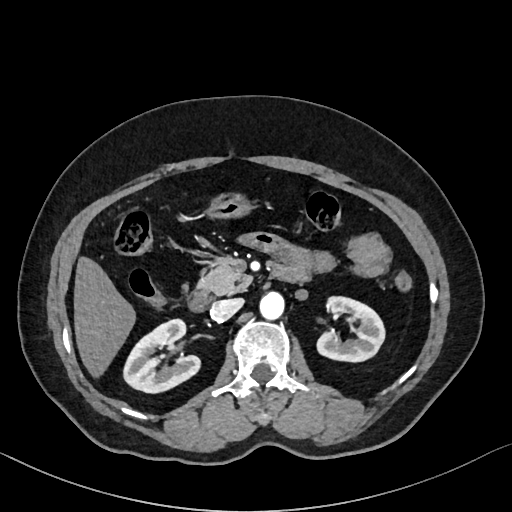
CT, abdomen/pelvis · Axial slice 140/222
Bounding boxes in pixels, one row per box: x1, y1 is the top-left corner and x2, y2 the bottom-right.
| organ | x1 | y1 | x2 | y2 |
|---|---|---|---|---|
| left kidney | 318 | 295 | 384 | 361 |
| duodenum | 190 | 261 | 307 | 310 |
| right kidney | 123 | 318 | 198 | 392 |
| stomach | 211 | 195 | 248 | 216 |
| inferior vena cava | 211 | 298 | 243 | 320 |
| liver | 74 | 257 | 135 | 374 |
| pancreas | 198 | 265 | 252 | 294 |
| aorta | 260 | 290 | 284 | 319 |